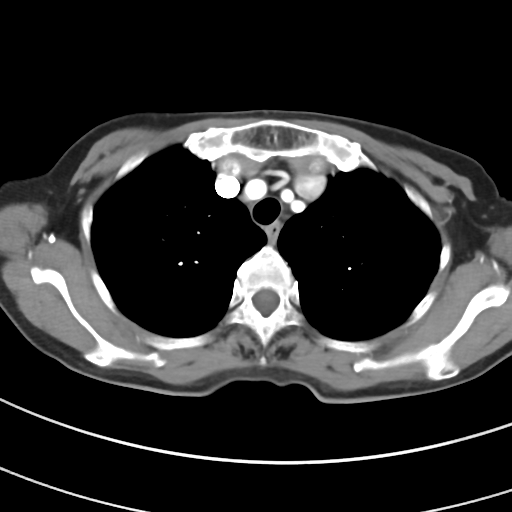 CT of the abdomen extending into the chest, slice through the chest — axial view — soft-tissue window (W 400 / L 40) — scan has 15 labeled organs (counted over the whole 3D scan, not this slice; an organ is boxed only where this slice passes through it)
At this level of the chest no structure but the esophagus and the aorta has a label in this dataset, and those two are boxed only where they are labeled.
{"organs":{"esophagus":[266,223,280,239]}}